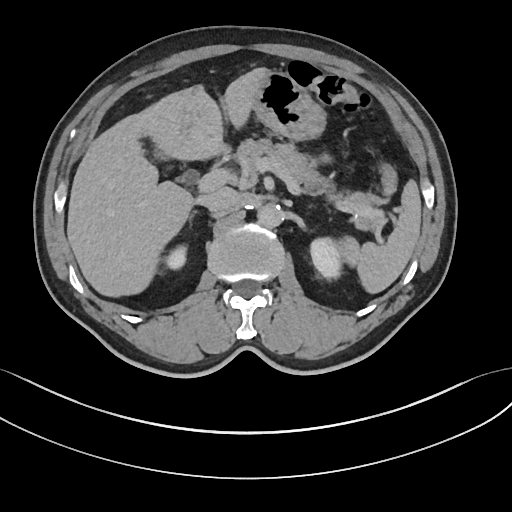
Computed tomography, abdomen. axial view. soft-tissue window (W 400 / L 40). acquired on SOMATOM Force
Organ boxes in pixel coordinates; each row gives the top-left (x1, y1) and bottom-right (x2, y2) corners.
| organ | x1 | y1 | x2 | y2 |
|---|---|---|---|---|
| right kidney | 167 | 245 | 186 | 268 |
| stomach | 254 | 73 | 327 | 142 |
| liver | 67 | 67 | 272 | 298 |
| left kidney | 311 | 236 | 340 | 276 |
| aorta | 255 | 204 | 283 | 228 |
| spleen | 334 | 182 | 421 | 294 |
| pancreas | 235 | 139 | 384 | 230 |
| right adrenal gland | 187 | 212 | 199 | 229 |
| inferior vena cava | 201 | 188 | 238 | 213 |